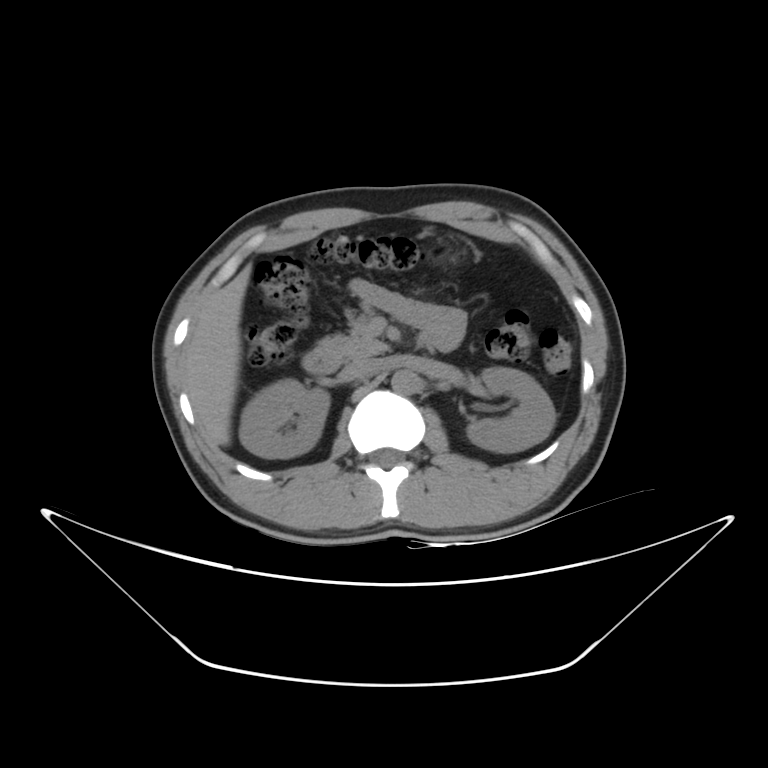
CT abdomen; axial plane, index 68; 37-year-old male patient
Boxes: x1:y1:x2:y2 in pixels.
Organ bounding boxes:
- right kidney: 239:378:329:458
- left kidney: 467:366:555:453
- liver: 187:264:251:445
- aorta: 391:369:419:394
- inferior vena cava: 343:359:381:377
- pancreas: 316:316:389:359
- duodenum: 301:351:341:373